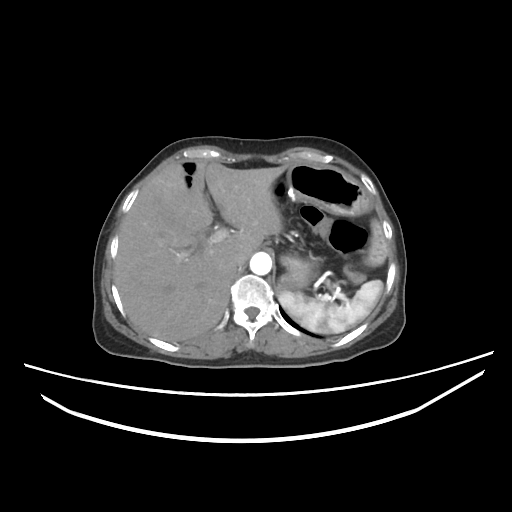 Computed tomography, abdomen — axial plane, index 79
Box edges are left/top/right/bottom in pixels. 5 labeled organs on this slice — spleen at left=276, top=279, right=383, bottom=334; liver at left=115, top=162, right=292, bottom=341; stomach at left=282, top=165, right=368, bottom=288; aorta at left=249, top=252, right=271, bottom=274; inferior vena cava at left=233, top=250, right=247, bottom=269.